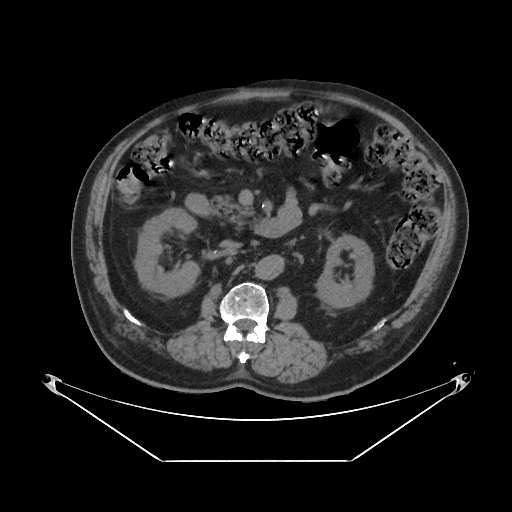

CT, abdomen/pelvis · axial view · 15 organs annotated in this scan (counted over the whole 3D scan, not this slice; an organ is boxed only where this slice passes through it)
Boxes: x1:y1:x2:y2 in pixels.
Organ bounding boxes:
- duodenum: 184:196:292:237
- left kidney: 315:235:374:309
- inferior vena cava: 219:240:241:250
- aorta: 254:255:282:279
- pancreas: 211:195:252:222
- right kidney: 135:208:200:297